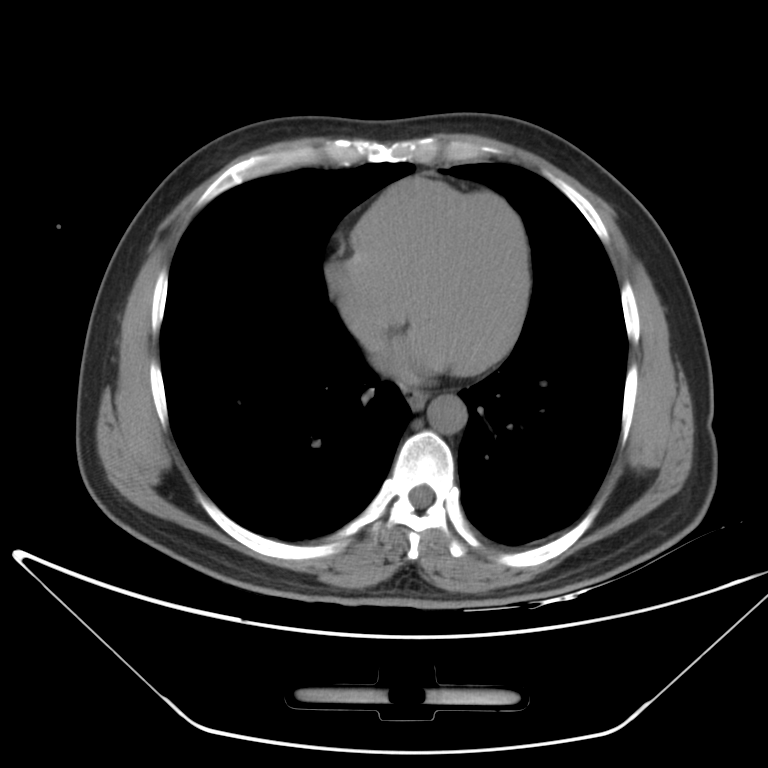
Lower-chest slice from an abdominal CT, just above the liver and spleen; axial plane, index 80; soft-tissue window; 768x768 px; 42-year-old male patient
The heart and lungs are never labeled in this dataset, so they have no box on this slice.
Bounding boxes in pixels, one row per box: x1, y1 is the top-left corner and x2, y2 the bottom-right.
| organ | x1 | y1 | x2 | y2 |
|---|---|---|---|---|
| inferior vena cava | 350 | 311 | 380 | 339 |
| aorta | 427 | 394 | 466 | 433 |
| esophagus | 408 | 390 | 427 | 408 |